Abdominal CT. axial view. soft-tissue window (W 400 / L 40). 512x512 px
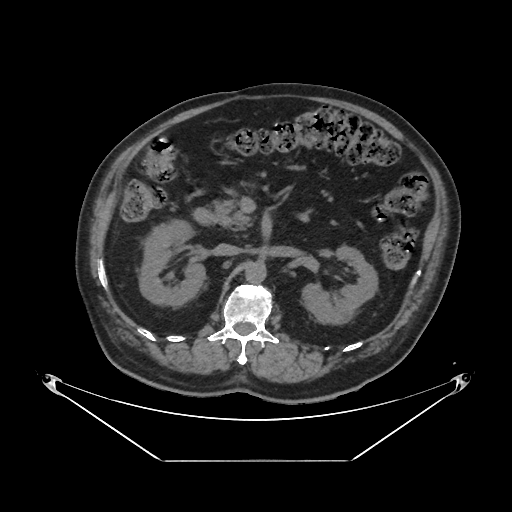 <organs><organ name="right kidney" x1="139" y1="219" x2="205" y2="306"/><organ name="left kidney" x1="302" y1="245" x2="377" y2="324"/><organ name="aorta" x1="245" y1="262" x2="266" y2="283"/><organ name="inferior vena cava" x1="214" y1="243" x2="240" y2="255"/><organ name="pancreas" x1="212" y1="198" x2="253" y2="230"/><organ name="duodenum" x1="193" y1="207" x2="213" y2="225"/></organs>